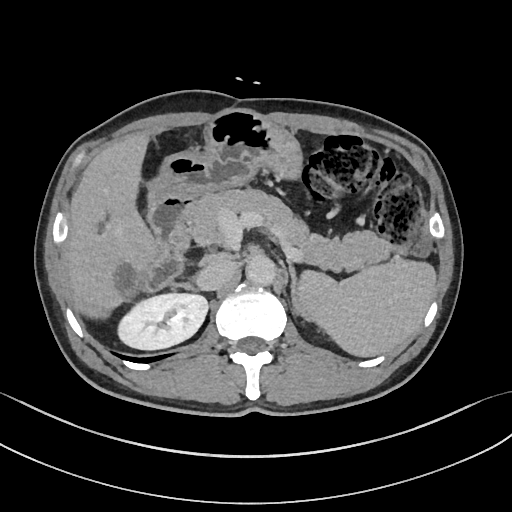

Abdominal CT · axial view · scan has 14 labeled organs (counted over the whole 3D scan, not this slice; an organ is boxed only where this slice passes through it)
<organs><organ name="duodenum" x1="141" y1="195" x2="196" y2="293"/><organ name="right kidney" x1="120" y1="294" x2="207" y2="349"/><organ name="spleen" x1="298" y1="260" x2="436" y2="356"/><organ name="liver" x1="62" y1="134" x2="366" y2="357"/><organ name="inferior vena cava" x1="194" y1="261" x2="235" y2="291"/><organ name="left adrenal gland" x1="287" y1="259" x2="310" y2="321"/><organ name="pancreas" x1="189" y1="187" x2="395" y2="270"/><organ name="aorta" x1="246" y1="256" x2="276" y2="286"/><organ name="stomach" x1="147" y1="108" x2="303" y2="203"/><organ name="right adrenal gland" x1="171" y1="284" x2="199" y2="292"/></organs>